Lower-chest slice from an abdominal CT, just above the liver and spleen — axial view — 62-year-old male patient — 13 organs annotated in this scan (a whole-scan count: organs this slice does not pass through have no box)
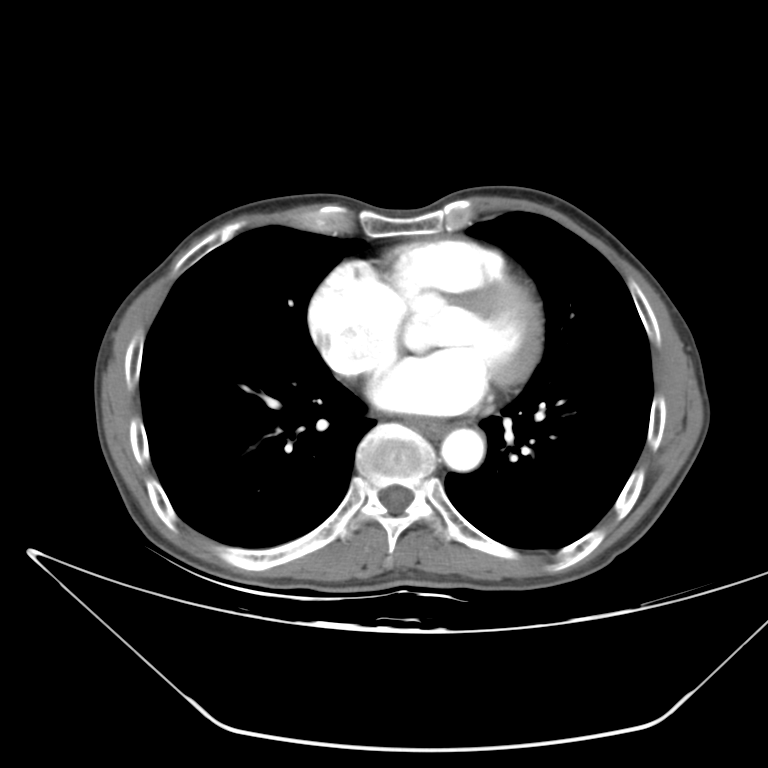

The heart and lungs are never labeled in this dataset, so they have no box on this slice.
Each box given as x1,y1,x2,y2.
Organ bounding boxes:
- aorta: x1=441, y1=428, x2=484, y2=471
- esophagus: x1=411, y1=418, x2=448, y2=434